Abdominal CT — axial view — soft-tissue window (W 400 / L 40) — acquired on Aquilion ONE
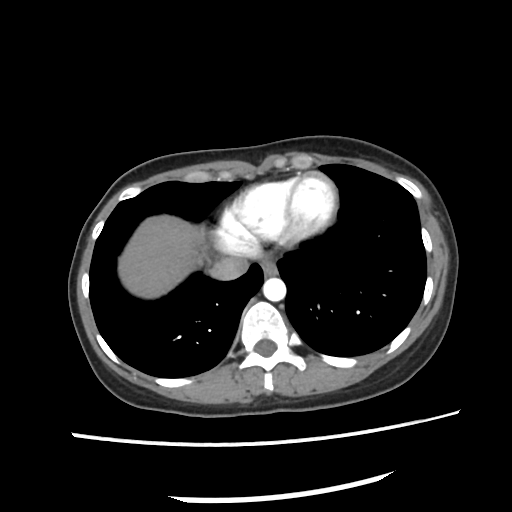
Organ boxes in pixel coordinates; each row gives the top-left (x1, y1) and bottom-right (x2, y2) corners.
| organ | x1 | y1 | x2 | y2 |
|---|---|---|---|---|
| esophagus | 262 | 256 | 276 | 277 |
| inferior vena cava | 207 | 256 | 248 | 281 |
| liver | 117 | 216 | 208 | 298 |
| aorta | 262 | 278 | 285 | 302 |